CT, abdomen/pelvis; axial view; soft-tissue window (W 400 / L 40); 15 organs annotated in this scan (that count is for the whole scan; organs this slice misses have no box)
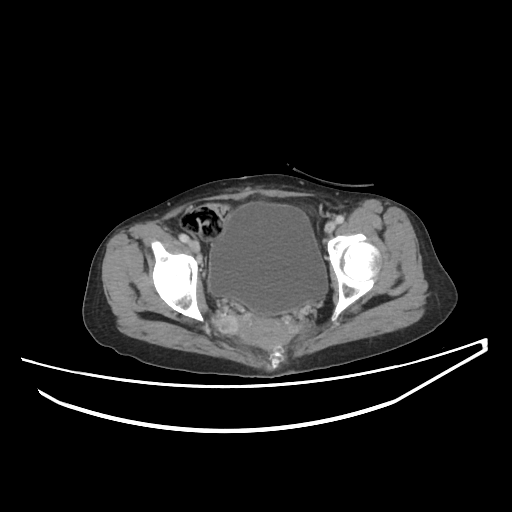
Organ boxes in pixel coordinates; each row gives the top-left (x1, y1) and bottom-right (x2, y2) corners.
| organ | x1 | y1 | x2 | y2 |
|---|---|---|---|---|
| prostate/uterus | 237 | 315 | 290 | 348 |
| bladder | 208 | 202 | 327 | 315 |